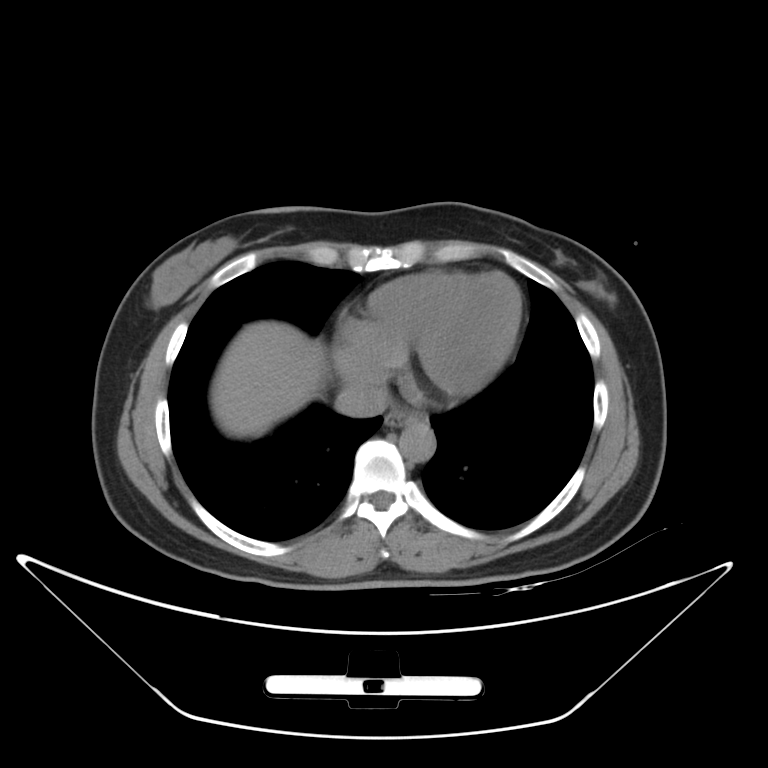
Computed tomography, abdomen; axial view; W/L 400/40 HU; 768x768 px; acquired on Brilliance16
Bounding boxes as [x1, y1, x2, y2] in pixel coordinates.
inferior vena cava: [334, 380, 388, 417]
aorta: [399, 422, 435, 461]
liver: [211, 321, 327, 437]
esophagus: [384, 408, 421, 426]